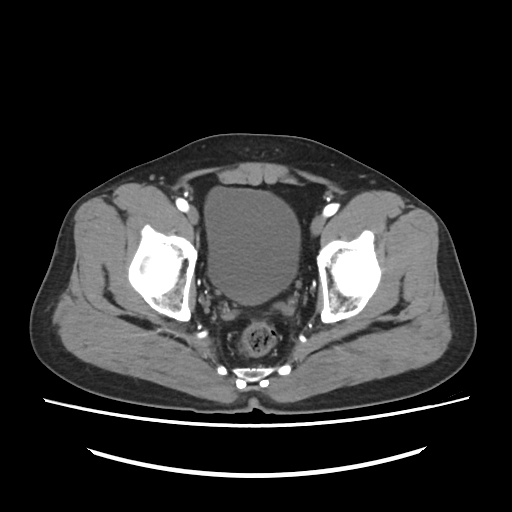 CT abdomen; axial view
<organs><organ name="bladder" x1="204" y1="187" x2="300" y2="303"/></organs>